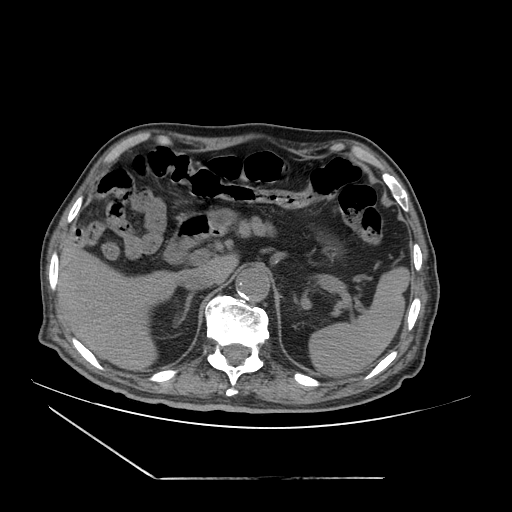 CT abdomen — axial view — 512x512 px — acquired on SOMATOM Force
Boxes: x1 y1 x2 y2 (pixel coords, space-separated).
Organ bounding boxes:
- duodenum: 163 209 221 263
- inferior vena cava: 181 274 213 292
- spleen: 310 268 409 376
- right adrenal gland: 179 293 193 324
- stomach: 206 209 352 252
- liver: 59 245 239 370
- aorta: 236 269 270 303
- pancreas: 239 216 267 237